CT abdomen · axial view · 31-year-old male patient
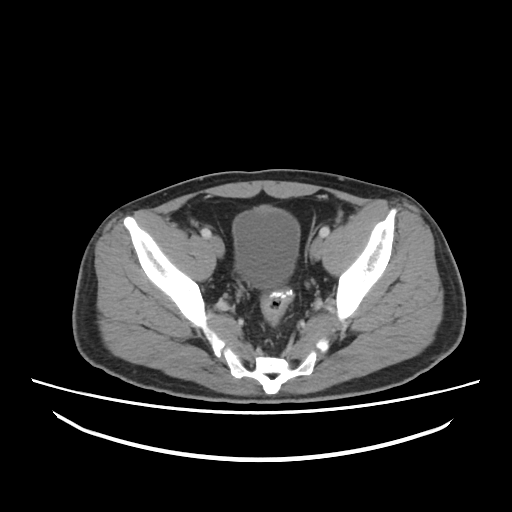

Organ boxes in pixel coordinates; each row gives the top-left (x1, y1) and bottom-right (x2, y2) corners.
| organ | x1 | y1 | x2 | y2 |
|---|---|---|---|---|
| bladder | 232 | 207 | 299 | 287 |